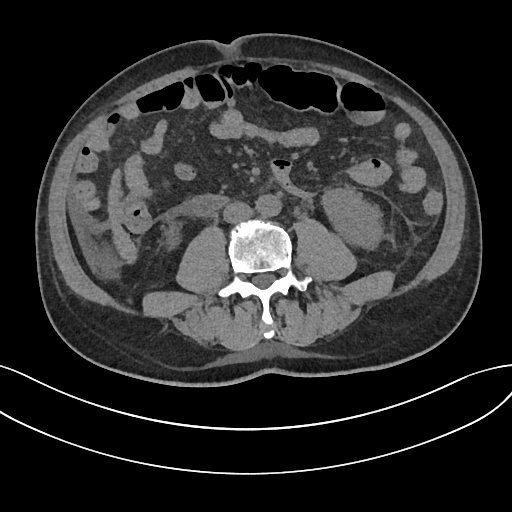
CT abdomen. axial view. abdomen soft-tissue window. 15 organs annotated in this scan (that count is for the whole scan; organs this slice misses have no box)
One row per box, in pixels: columns x1 and y1 give the top-left corner, x2 and y2 the bottom-right.
| organ | x1 | y1 | x2 | y2 |
|---|---|---|---|---|
| right kidney | 165 | 227 | 180 | 249 |
| left kidney | 322 | 188 | 382 | 248 |
| liver | 108 | 169 | 136 | 262 |
| aorta | 256 | 194 | 281 | 216 |
| inferior vena cava | 223 | 201 | 253 | 223 |
| duodenum | 191 | 194 | 224 | 215 |